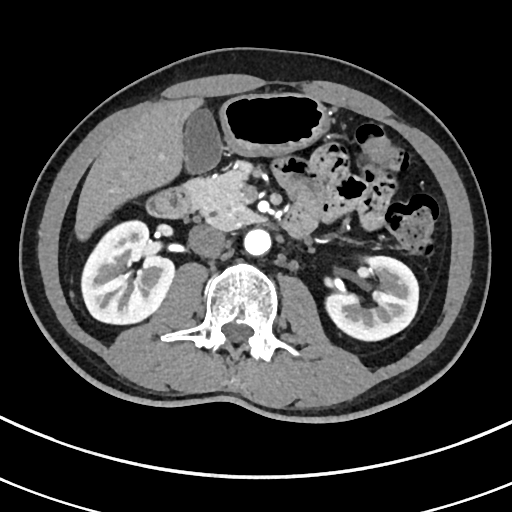 CT abdomen · Axial slice 129/302 · abdomen soft-tissue window · 512x512 px · SOMATOM Force scanner · scan has 15 labeled organs (a whole-scan count: organs this slice does not pass through have no box)
Boxes: x1 y1 x2 y2 (pixel coords, space-separated). The annotated organs in this slice are: right kidney at 81 220 174 324, left kidney at 325 256 418 340, gall bladder at 184 109 222 173, liver at 75 96 203 240, stomach at 219 93 330 155, aorta at 243 229 270 255, inferior vena cava at 188 225 225 256, pancreas at 183 162 261 229, duodenum at 146 186 310 237.